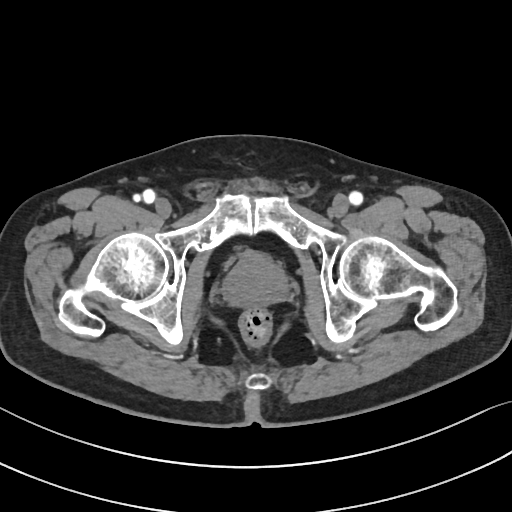 CT, abdomen/pelvis. axial view
{"organs":{"prostate/uterus":[222,254,287,306]}}